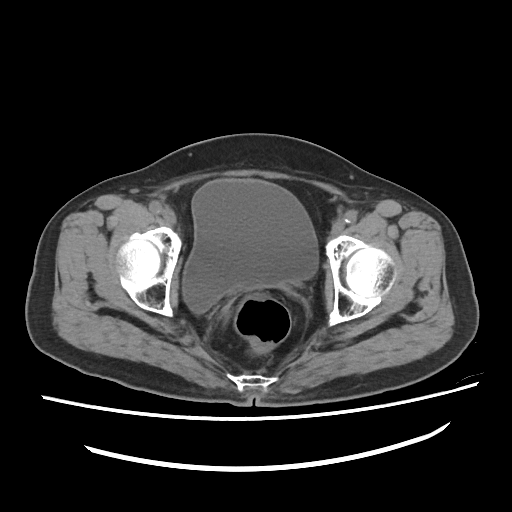

CT abdomen — axial view — W/L 400/40 HU — 512x512 px — 61-year-old female patient — scan has 14 labeled organs (counted over the whole 3D scan, not this slice; an organ is boxed only where this slice passes through it)
Bounding boxes as [x1, y1, x2, y2] in pixel coordinates.
Organ bounding boxes:
- bladder: [182, 179, 318, 313]